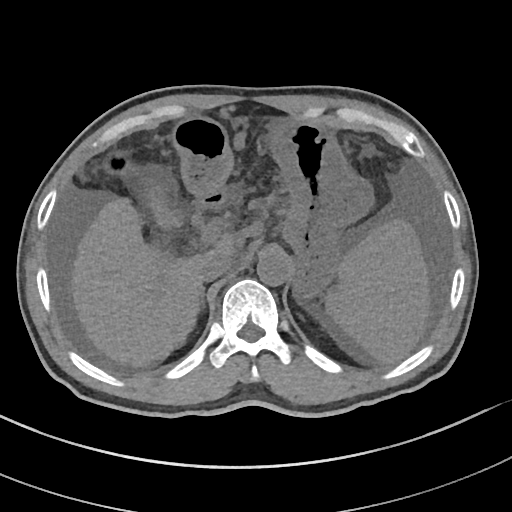
Abdominal CT · axial plane, index 165
Bounding boxes as [x1, y1, x2, y2] in pixel coordinates.
Organ bounding boxes:
- stomach: [171, 116, 373, 297]
- liver: [71, 198, 232, 365]
- spleen: [326, 220, 430, 363]
- inferior vena cava: [198, 252, 233, 283]
- duodenum: [194, 191, 226, 210]
- aorta: [257, 249, 291, 285]
- right adrenal gland: [194, 287, 206, 313]
- gall bladder: [143, 180, 182, 226]